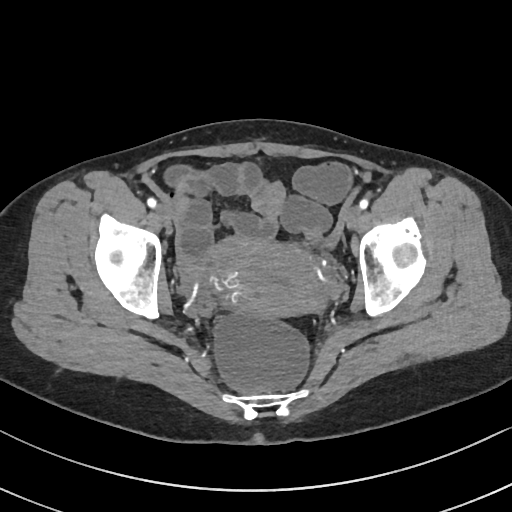
Abdominal CT. axial view
<organs><organ name="prostate/uterus" x1="206" y1="237" x2="326" y2="317"/></organs>